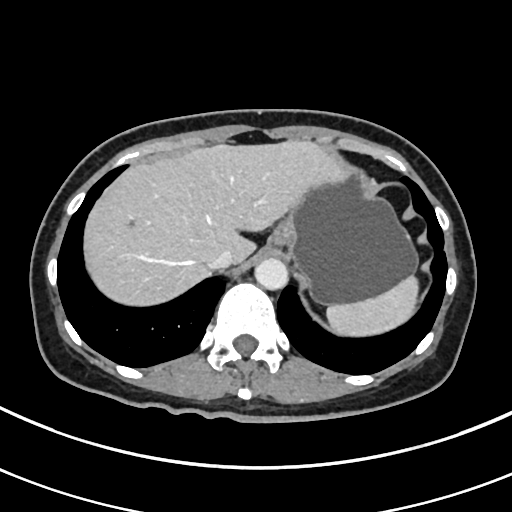

Abdominal CT · axial view · acquired on SOMATOM Force
One row per box, in pixels: columns x1 and y1 give the top-left corner, x2 and y2 the bottom-right.
| organ | x1 | y1 | x2 | y2 |
|---|---|---|---|---|
| spleen | 326 | 274 | 418 | 336 |
| liver | 82 | 139 | 346 | 304 |
| stomach | 271 | 166 | 418 | 304 |
| aorta | 254 | 257 | 287 | 288 |
| inferior vena cava | 210 | 251 | 233 | 269 |